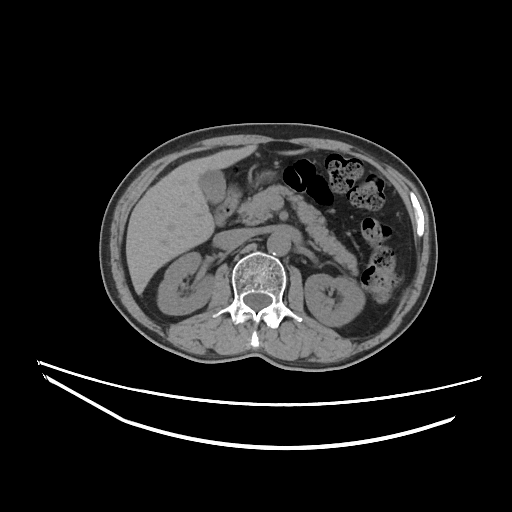 CT abdomen; axial view; 68-year-old male patient; Aquilion ONE scanner
Boxes are (x1, y1, x2, y2) in pixels.
right kidney: (158, 252, 214, 314)
left kidney: (304, 274, 364, 326)
gall bladder: (199, 170, 225, 203)
liver: (126, 144, 305, 294)
stomach: (260, 172, 271, 179)
aorta: (267, 232, 290, 255)
inferior vena cava: (215, 229, 252, 249)
pancreas: (238, 185, 357, 274)
left adrenal gland: (308, 241, 319, 250)
duodenum: (215, 186, 240, 225)